CT abdomen. axial view. W/L 400/40 HU. 31-year-old male patient. acquired on Aquilion ONE
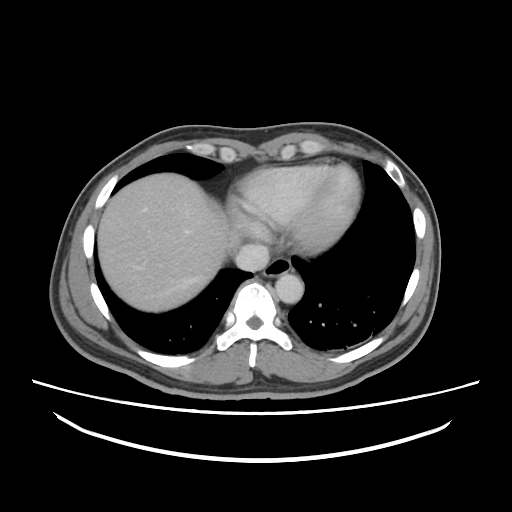

Coordinates as <box>x1,y1,x2,y2</box> in pixels.
Organ bounding boxes:
- inferior vena cava: <box>235,244,269,271</box>
- aorta: <box>275,273,303,303</box>
- liver: <box>97,173,239,312</box>
- esophagus: <box>263,257,292,277</box>